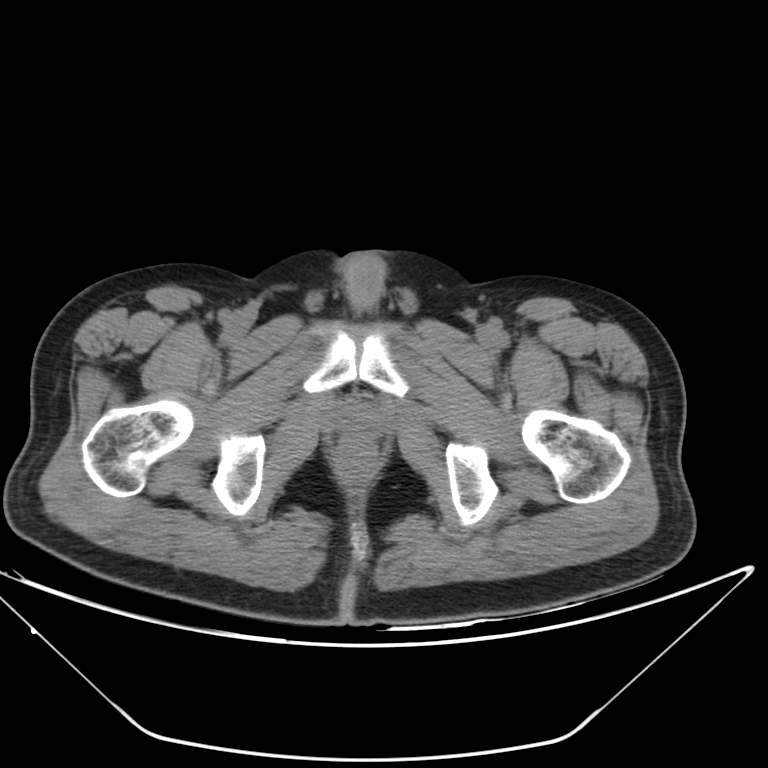

CT, abdomen/pelvis; Axial slice 11/99; soft-tissue window (W 400 / L 40); 768x768 px; 50-year-old male patient
One row per box, in pixels: columns x1 and y1 give the top-left corner, x2 and y2 the bottom-right.
| organ | x1 | y1 | x2 | y2 |
|---|---|---|---|---|
| prostate/uterus | 337 | 403 | 381 | 439 |